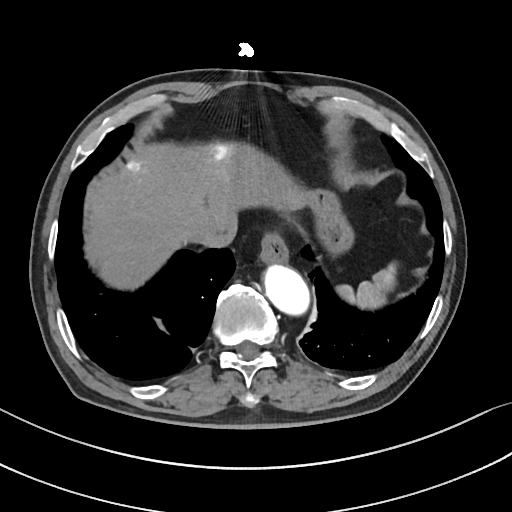

CT, abdomen/pelvis. axial plane, index 194. soft-tissue window. 512x512 px
Coordinates as <box>x1,y1,x2,y2</box> in pixels. 6 labeled organs on this slice — inferior vena cava at <box>190,225,236,246</box>; aorta at <box>264,265,309,314</box>; esophagus at <box>260,234,287,263</box>; stomach at <box>304,189,354,254</box>; spleen at <box>336,263,396,308</box>; liver at <box>84,142,309,289</box>.